Abdominal CT — axial view — soft-tissue window
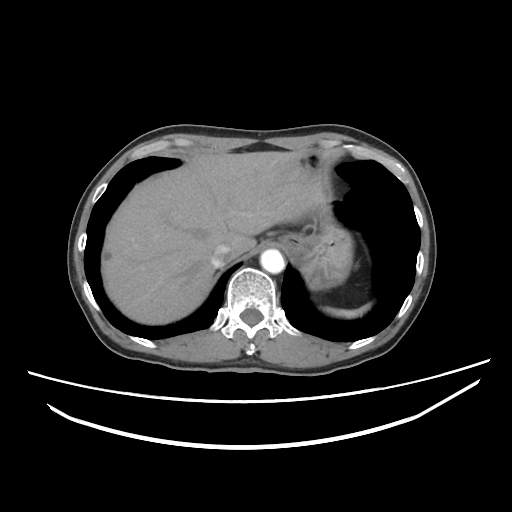 Bounding boxes as [x1, y1, x2, y2] in pixel coordinates. Labeled organs on this slice: spleen at [325, 304, 369, 318], stomach at [281, 153, 352, 289], aorta at [260, 249, 284, 273], inferior vena cava at [211, 243, 230, 267], liver at [102, 151, 317, 324].